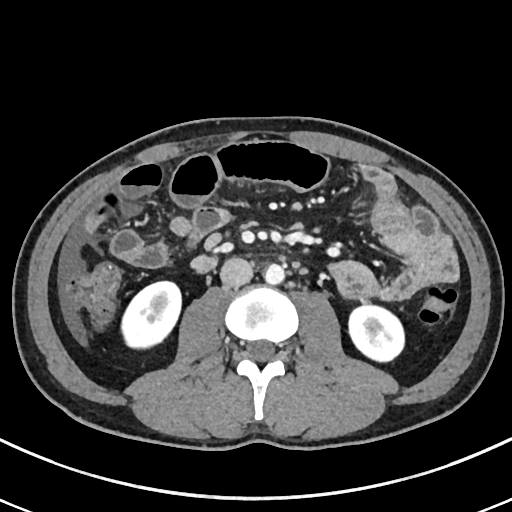

Abdominal CT — axial view
Coordinates as <box>x1,y1,x2,y2</box> in pixels. 4 labeled organs on this slice — right kidney at <box>121,282,181,348</box>; left kidney at <box>348,303,403,362</box>; aorta at <box>265,263,284,284</box>; inferior vena cava at <box>220,257,253,286</box>.